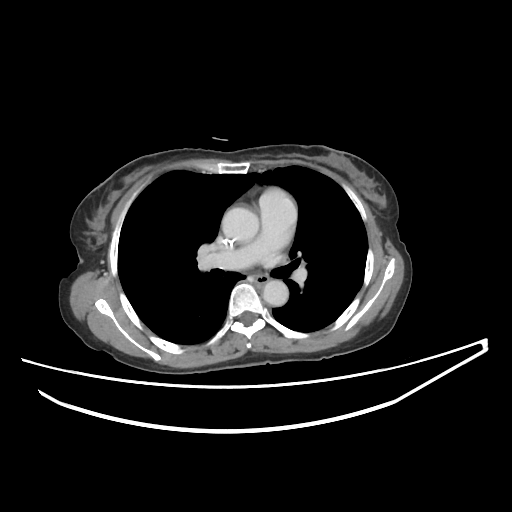
Chest-level CT slice, above the liver and spleen. axial view. 62-year-old female patient. scan has 15 labeled organs (that count is for the whole scan; organs this slice misses have no box)
On a slice this high in the chest, this dataset labels only the esophagus and the aorta, and each is boxed only where it is labeled; the heart, lungs and other chest structures are not labeled.
Boxes: x1:y1:x2:y2 in pixels.
esophagus: 252:274:267:285
aorta: 222:207:259:243
aorta: 262:280:288:306